Chest-level slice from an abdominal CT that extends up into the chest. axial view. SOMATOM Force scanner
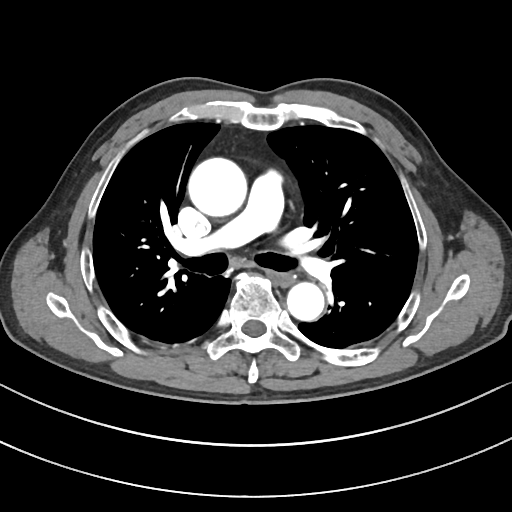
At this level of the chest no structure but the esophagus and the aorta has a label in this dataset, and those two are boxed only where they are labeled.
Box edges are left/top/right/bottom in pixels.
Organ bounding boxes:
- esophagus: left=274, top=273, right=293, bottom=286
- aorta: left=188, top=157, right=246, bottom=216
- aorta: left=287, top=282, right=324, bottom=321